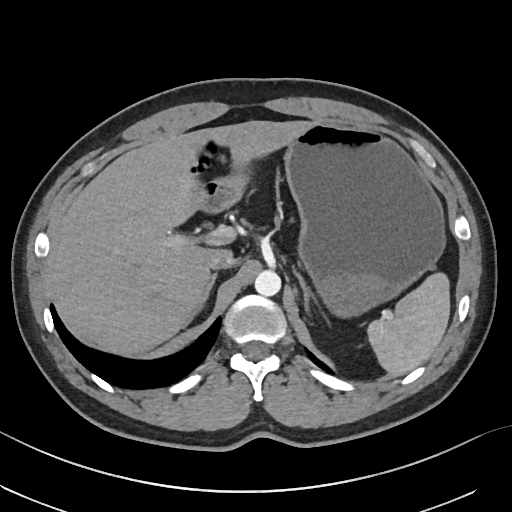
Abdominal CT · axial plane, index 170 · soft-tissue window · SOMATOM Force scanner · 15 organs annotated in this scan (that count is for the whole scan; organs this slice misses have no box)
Coordinates as <box>x1,y1,x2,y2</box> in pixels.
spleen: <box>367,272,449,375</box>
liver: <box>55,120,312,355</box>
stomach: <box>209,121,445,317</box>
aorta: <box>254,269,281,296</box>
inferior vena cava: <box>208,253,236,270</box>
right adrenal gland: <box>186,273,216,323</box>
left adrenal gland: <box>294,269,317,312</box>
duodenum: <box>201,185,225,212</box>